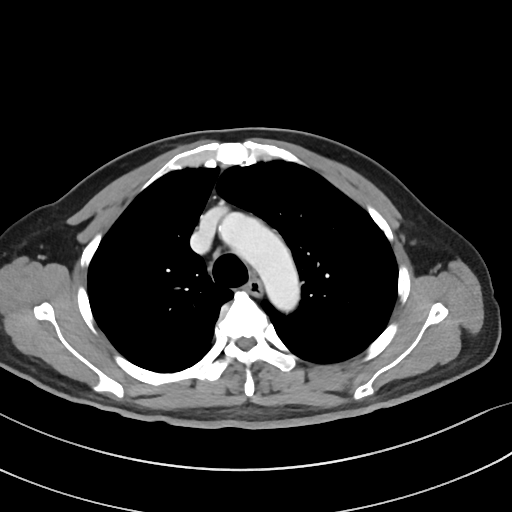
CT of the abdomen extending into the chest, slice through the chest — axial plane, index 108 — W/L 400/40 HU
At this level of the chest this dataset labels only the esophagus and the aorta, and each is boxed only where it is labeled; the heart and lungs are never labeled.
Boxes are (x1, y1, x2, y2) in pixels.
Organ bounding boxes:
- esophagus: (247, 278, 262, 294)
- aorta: (219, 213, 299, 311)